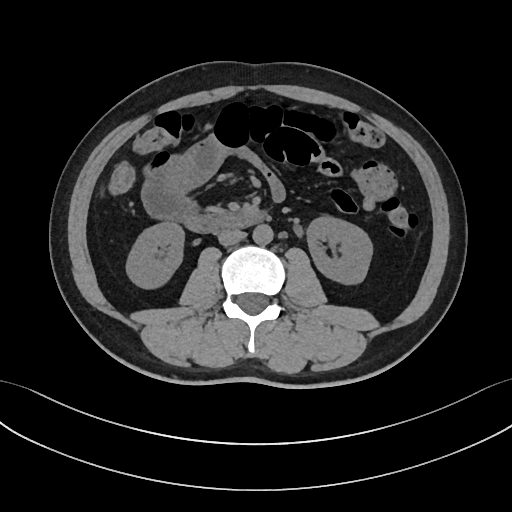 Computed tomography, abdomen — axial view — 512x512 px
{"organs":{"right kidney":[126,222,184,288],"left kidney":[307,216,372,284],"aorta":[252,224,273,244],"inferior vena cava":[218,229,245,245],"pancreas":[208,208,221,213],"duodenum":[183,210,267,233]}}